Abdominal CT · axial view
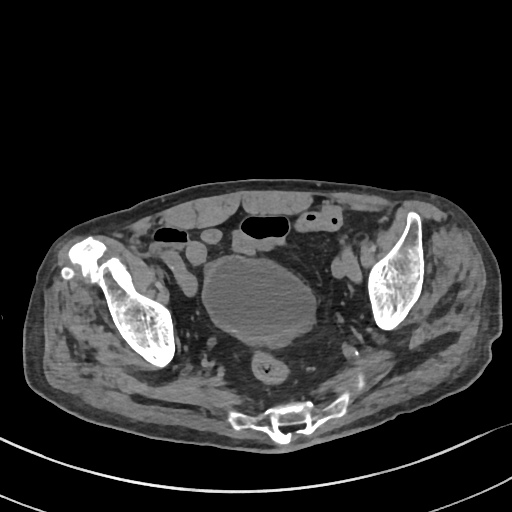

<organs><organ name="bladder" x1="202" y1="255" x2="316" y2="349"/></organs>